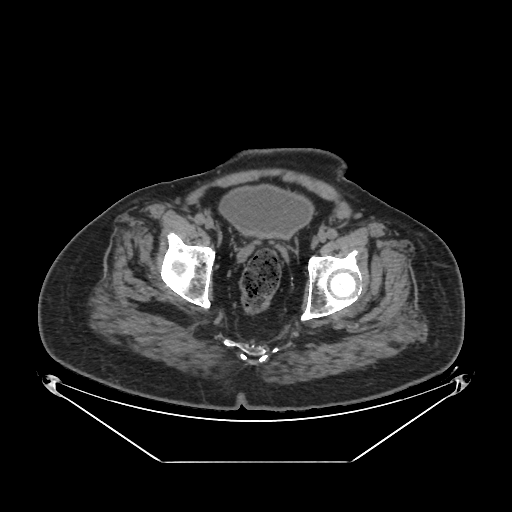
CT abdomen. axial view. soft-tissue window
Box edges are left/top/right/bottom in pixels. Labeled organs on this slice: bladder at left=218, top=184, right=314, bottom=238.